Abdominal CT. axial view. W/L 400/40 HU
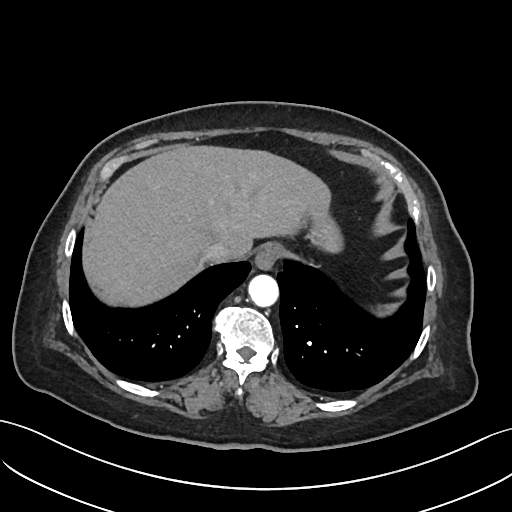

Boxes are (x1, y1, x2, y2) in pixels.
Organ bounding boxes:
- esophagus: (254, 245, 280, 271)
- liver: (85, 146, 328, 306)
- stomach: (310, 218, 339, 250)
- aorta: (249, 275, 279, 307)
- inferior vena cava: (205, 242, 242, 262)